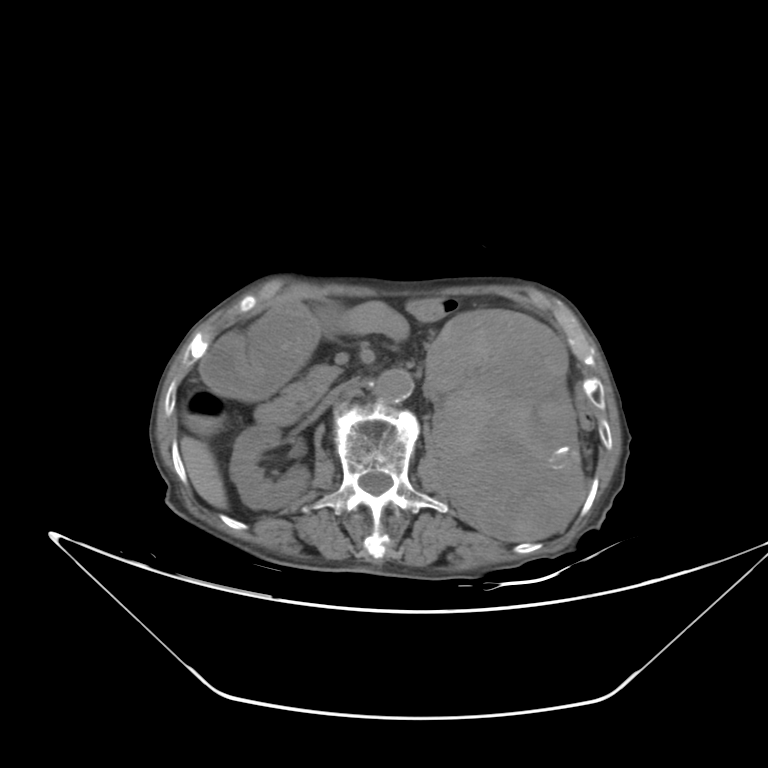

CT abdomen — axial view — 768x768 px — Brilliance16 scanner
Each box given as x1,y1,x2,y2.
stomach: x1=249, y1=299, x2=346, y2=384
left kidney: x1=424, y1=310, x2=586, y2=541
duodenum: x1=200, y1=327, x2=297, y2=423
liver: x1=180, y1=436, x2=229, y2=509
inferior vena cava: x1=322, y1=375, x2=364, y2=407
gall bladder: x1=185, y1=416, x2=224, y2=433
pancreas: x1=283, y1=364, x2=342, y2=413
right kidney: x1=229, y1=426, x2=309, y2=508
aorta: x1=371, y1=371, x2=413, y2=403